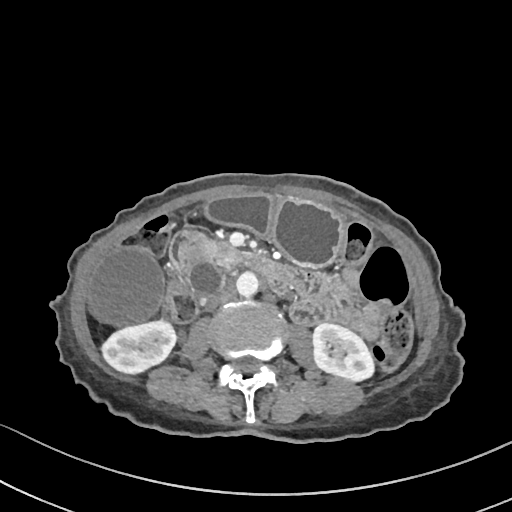

CT abdomen; axial view; soft-tissue window; 512x512 px; acquired on SOMATOM Force
{"organs":{"right kidney":[102,320,176,373],"left kidney":[312,323,373,381],"gall bladder":[86,246,167,323],"stomach":[205,193,343,267],"aorta":[236,272,258,297],"inferior vena cava":[206,288,235,308],"pancreas":[184,237,244,271],"duodenum":[171,231,292,294]}}